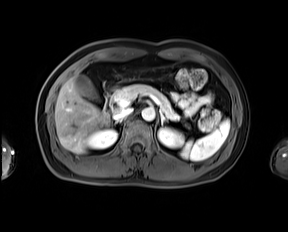
MRI, abdomen; axial view; percentile-normalized; Prisma scanner; 13 organs annotated in this scan (that count is for the whole scan; organs this slice misses have no box)
<organs><organ name="spleen" x1="180" y1="119" x2="229" y2="160"/><organ name="right kidney" x1="87" y1="129" x2="117" y2="148"/><organ name="left kidney" x1="158" y1="127" x2="183" y2="147"/><organ name="gall bladder" x1="75" y1="75" x2="99" y2="102"/><organ name="liver" x1="55" y1="77" x2="109" y2="153"/><organ name="aorta" x1="141" y1="108" x2="155" y2="120"/><organ name="inferior vena cava" x1="113" y1="108" x2="132" y2="120"/><organ name="pancreas" x1="113" y1="84" x2="179" y2="120"/><organ name="right adrenal gland" x1="113" y1="120" x2="120" y2="124"/><organ name="left adrenal gland" x1="159" y1="111" x2="167" y2="125"/><organ name="duodenum" x1="103" y1="93" x2="112" y2="115"/></organs>